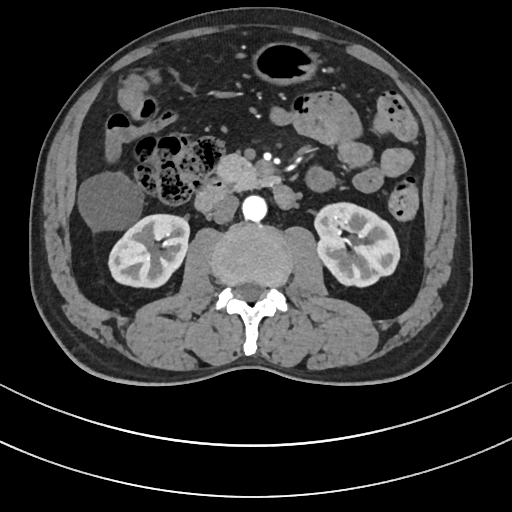 CT, abdomen/pelvis — axial view — 512x512 px — SOMATOM Force scanner
Bounding boxes in pixels, one row per box: x1, y1 is the top-left corner and x2, y2 the bottom-right.
| organ | x1 | y1 | x2 | y2 |
|---|---|---|---|---|
| right kidney | 108 | 214 | 189 | 287 |
| left kidney | 315 | 203 | 399 | 286 |
| liver | 78 | 174 | 138 | 228 |
| stomach | 252 | 41 | 320 | 85 |
| aorta | 242 | 196 | 266 | 221 |
| inferior vena cava | 212 | 195 | 238 | 223 |
| pancreas | 217 | 154 | 281 | 190 |
| duodenum | 195 | 178 | 295 | 212 |